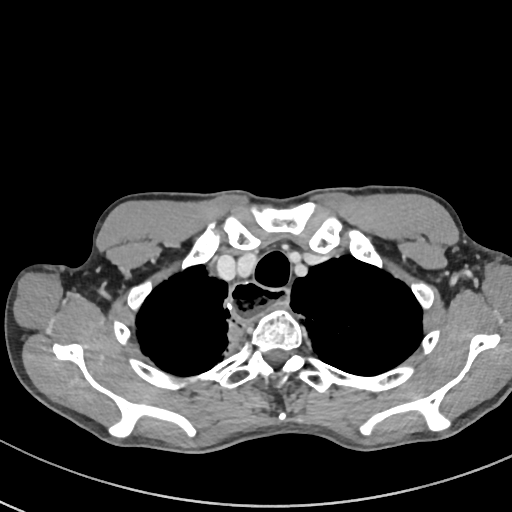
Chest-level slice from an abdominal CT that extends up into the chest. axial view. soft-tissue window. acquired on SOMATOM Force. scan has 15 labeled organs (a whole-scan count: organs this slice does not pass through have no box)
At this level of the chest no structure but the esophagus and the aorta has a label in this dataset, and those two are boxed only where they are labeled. Boxes: x1:y1:x2:y2 in pixels. Labeled organs on this slice: esophagus at 227:283:290:320.